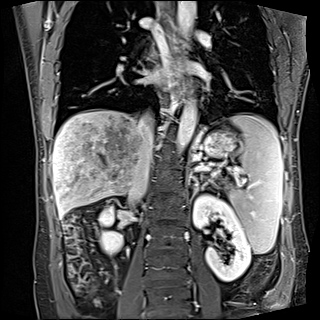
MRI, abdomen · coronal view · 1st–99th percentile window · 320x320 px
Boxes: x1 y1 x2 y2 (pixel coords, space-separated).
inferior vena cava: 129 113 153 199
right kidney: 98 207 122 254
stomach: 202 130 235 157
liver: 52 109 143 218
esophagus: 170 42 181 72
esophagus: 177 76 184 103
left adrenal gland: 192 179 199 198
spleen: 228 113 283 253
aorta: 175 99 196 153
aorta: 178 1 195 36
left kidney: 193 194 250 281